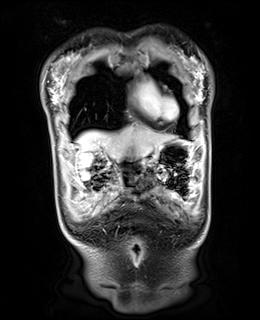 Abdominal MRI; Coronal slice 110/144
{"organs":{"liver":[78,127,172,157],"stomach":[143,140,196,165]}}